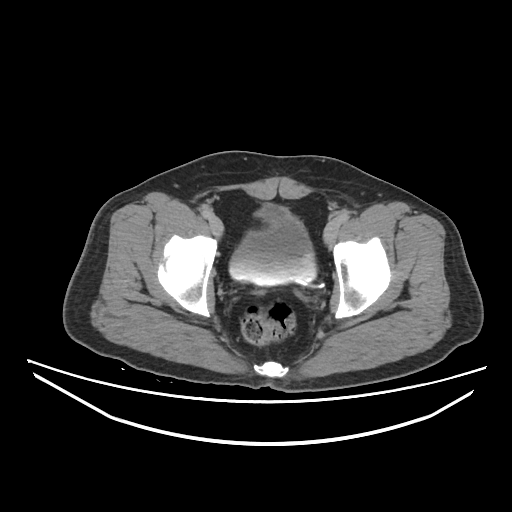

CT abdomen; axial plane, index 31; 55-year-old male patient
Bounding boxes in pixels, one row per box: x1, y1 is the top-left corner and x2, y2 the bottom-right.
| organ | x1 | y1 | x2 | y2 |
|---|---|---|---|---|
| bladder | 229 | 202 | 316 | 284 |